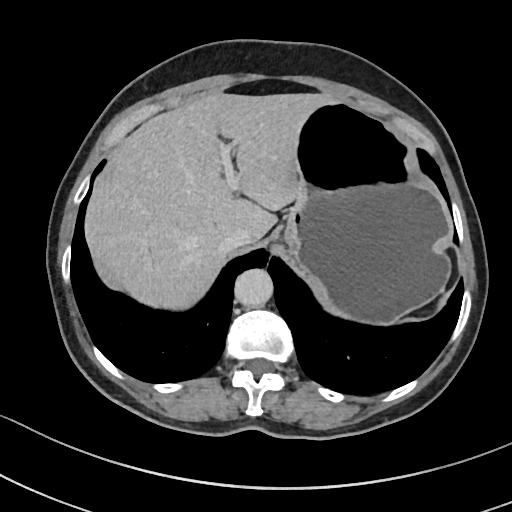

CT, abdomen/pelvis · axial view · acquired on SOMATOM Force · 15 organs annotated in this scan (counted over the whole 3D scan, not this slice; an organ is boxed only where this slice passes through it)
{"organs":{"liver":[84,93,332,309],"stomach":[285,100,450,325],"inferior vena cava":[218,234,251,253],"aorta":[235,268,274,306]}}